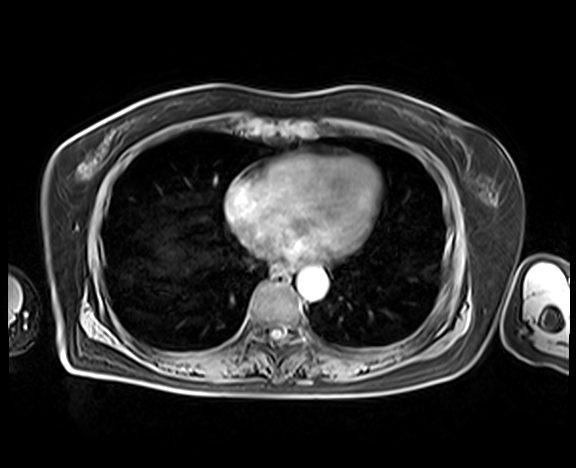 Abdominal MRI; this slice is in the lower chest, just above the liver · axial view · 576x468 px
No part of the heart or lungs is labeled in this dataset, so neither has a box here.
Each box given as x1,y1,x2,y2.
Organ bounding boxes:
- esophagus: x1=273, y1=265, x2=291, y2=278
- aorta: x1=297, y1=269, x2=327, y2=300
- inferior vena cava: x1=255, y1=241, x2=269, y2=253